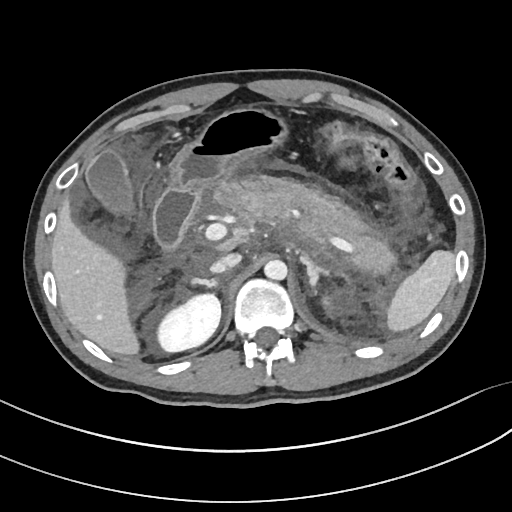
Computed tomography, abdomen · axial view · 512x512 px
Boxes are (x1, y1, x2, y2) in pixels.
Organ bounding boxes:
- spleen: (387, 250, 454, 331)
- right kidney: (157, 293, 220, 351)
- left kidney: (322, 296, 331, 307)
- gall bladder: (86, 150, 133, 214)
- liver: (51, 199, 138, 354)
- stomach: (170, 107, 288, 194)
- aorta: (264, 259, 287, 280)
- inferior vena cava: (210, 253, 241, 273)
- pancreas: (215, 177, 394, 272)
- right adrenal gland: (192, 278, 218, 287)
- left adrenal gland: (300, 257, 327, 286)
- duodenum: (153, 189, 199, 250)